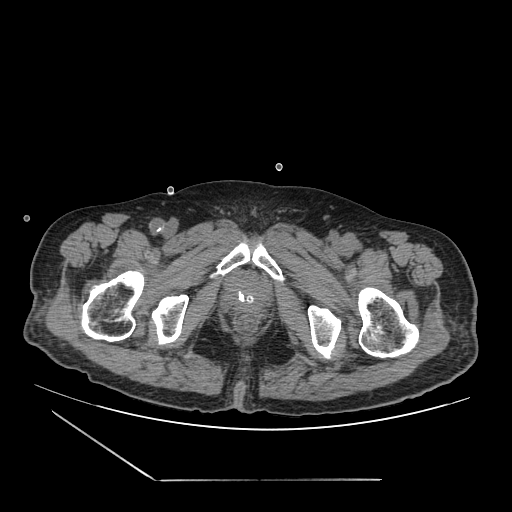
CT abdomen; axial view; W/L 400/40 HU; 512x512 px
Boxes: x1 y1 x2 y2 (pixel coords, space-separated).
prostate/uterus: 230 272 263 309